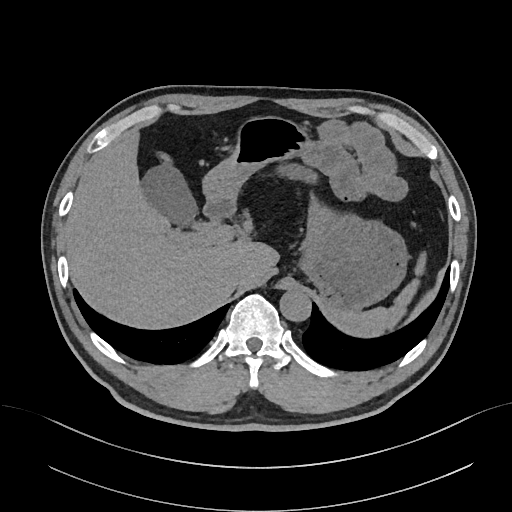

Computed tomography, abdomen · axial view · 512x512 px
Boxes: x1 y1 x2 y2 (pixel coords, space-separated).
Organ bounding boxes:
- spleen: 331 251 424 336
- gall bladder: 140 163 197 226
- liver: 65 132 278 327
- stomach: 202 116 408 314
- aorta: 280 290 311 322
- inferior vena cava: 225 261 246 282
- duodenum: 205 203 234 217